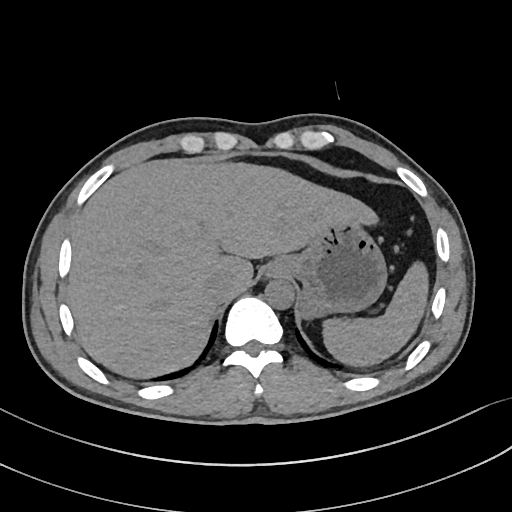 Computed tomography, abdomen · axial view · W/L 400/40 HU · 512x512 px
One row per box, in pixels: columns x1 and y1 give the top-left corner, x2 and y2 the bottom-right.
| organ | x1 | y1 | x2 | y2 |
|---|---|---|---|---|
| spleen | 325 | 263 | 428 | 367 |
| liver | 68 | 158 | 374 | 379 |
| stomach | 269 | 218 | 386 | 316 |
| aorta | 264 | 279 | 294 | 308 |
| inferior vena cava | 204 | 273 | 233 | 303 |